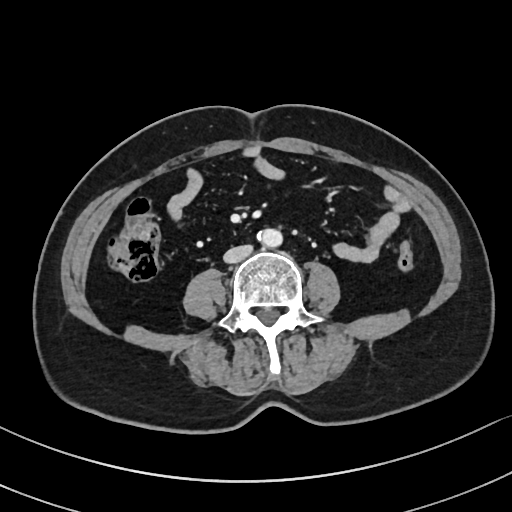 CT abdomen — axial view — 512x512 px
Coordinates as <box>x1,y1,x2,y2</box> in pixels.
Organ bounding boxes:
- aorta: <box>259,228,283,247</box>
- inferior vena cava: <box>223,245,252,263</box>